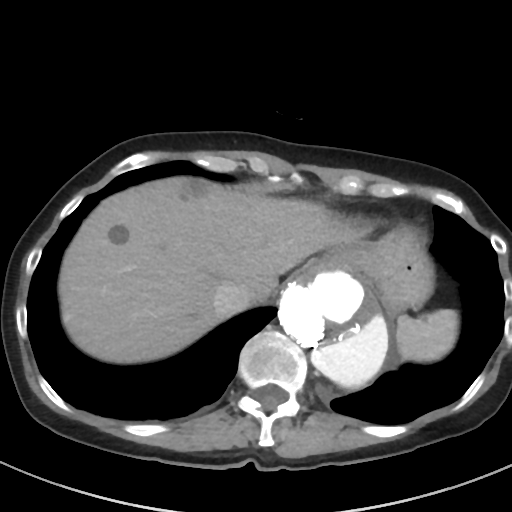 Computed tomography, abdomen · axial view · 512x512 px
<organs><organ name="aorta" x1="279" y1="265" x2="390" y2="387"/><organ name="inferior vena cava" x1="213" y1="282" x2="253" y2="317"/><organ name="stomach" x1="324" y1="225" x2="434" y2="312"/><organ name="spleen" x1="396" y1="309" x2="458" y2="361"/><organ name="liver" x1="58" y1="176" x2="356" y2="363"/></organs>